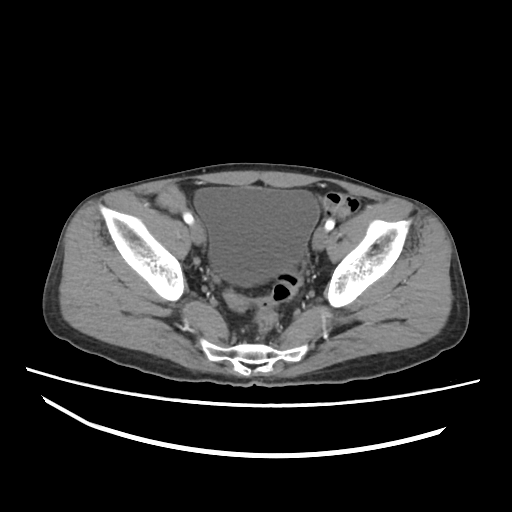

Computed tomography, abdomen. axial view. W/L 400/40 HU
Boxes: x1 y1 x2 y2 (pixel coords, space-separated). The annotated organs in this slice are: bladder at 194 187 319 286.